Abdominal CT; this slice is in the lower chest, just above the liver · axial view · 768x768 px · 62-year-old male patient
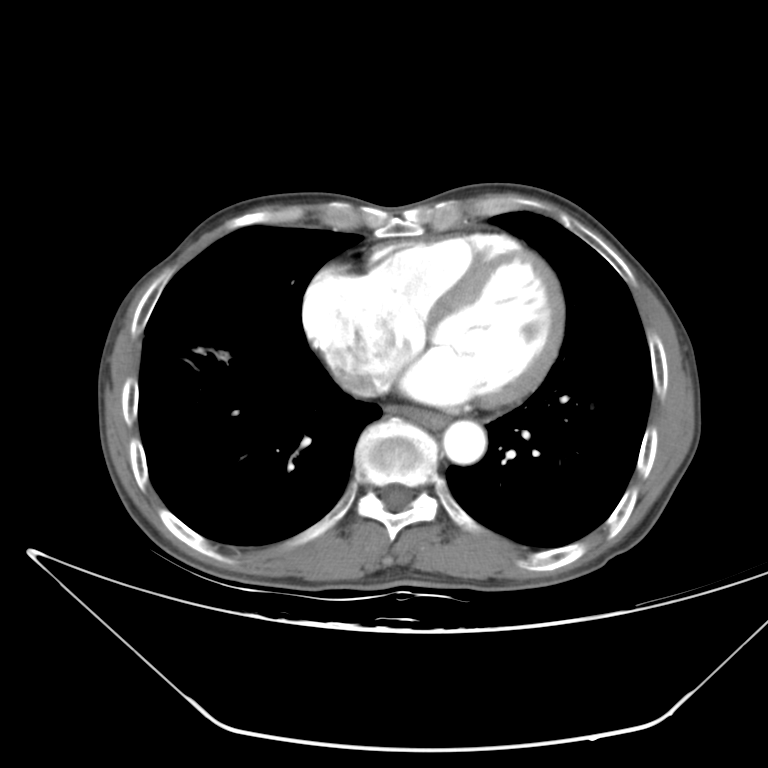
No part of the heart or lungs is labeled in this dataset, so neither has a box here. Boxes are (x1, y1, x2, y2) in pixels. 3 labeled organs on this slice — inferior vena cava at (360, 388, 375, 395); esophagus at (386, 405, 447, 427); aorta at (443, 420, 486, 464).